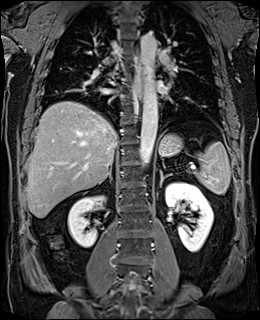
Abdominal MRI · coronal view · 260x320 px · Prisma scanner · scan has 13 labeled organs (that count is for the whole scan; organs this slice misses have no box)
Boxes are (x1, y1, x2, y2) in pixels. The annotated organs in this slice are: liver at (27, 101, 117, 218), left adrenal gland at (159, 170, 172, 187), aorta at (139, 32, 157, 167), esophagus at (134, 73, 141, 98), stomach at (158, 133, 182, 156), left kidney at (165, 182, 213, 252), right kidney at (68, 196, 104, 247), right adrenal gland at (98, 166, 112, 184), spleen at (196, 142, 230, 194).